CT abdomen — Axial slice 80/103 — 15 organs annotated in this scan (that count is for the whole scan; organs this slice misses have no box)
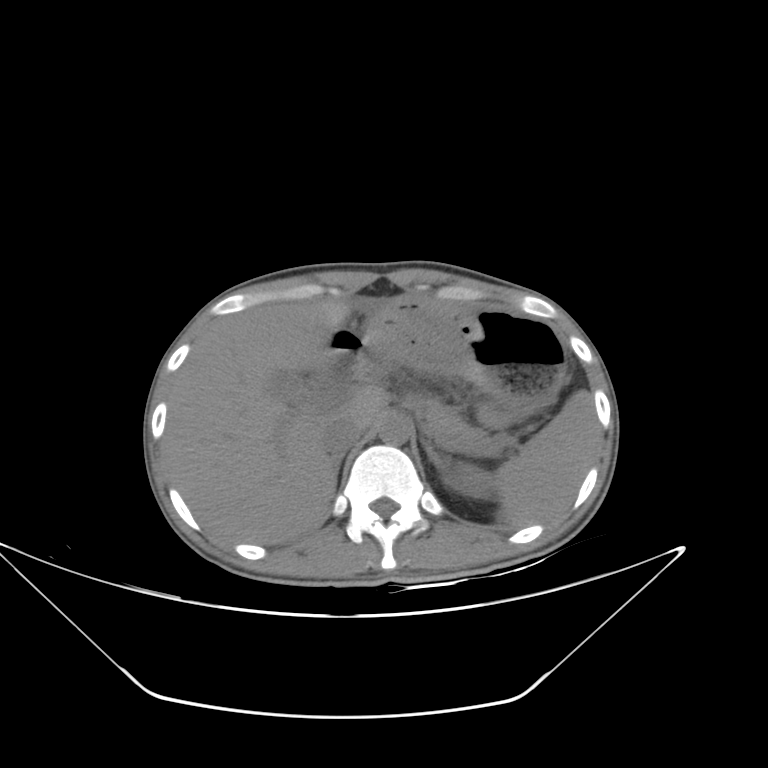 Box edges are left/top/right/bottom in pixels. 11 labeled organs on this slice — spleen at left=492, top=389, right=599, bottom=527; inferior vena cava at left=322, top=417, right=363, bottom=456; left kidney at left=443, top=466, right=493, bottom=497; liver at left=163, top=296, right=459, bottom=544; right adrenal gland at left=333, top=455, right=343, bottom=477; aorta at left=378, top=415, right=410, bottom=445; duodenum at left=309, top=361, right=355, bottom=402; left adrenal gland at left=422, top=439, right=449, bottom=469; gall bladder at left=274, top=372, right=303, bottom=392; stomach at left=330, top=296, right=565, bottom=412; pancreas at left=425, top=398, right=492, bottom=447.